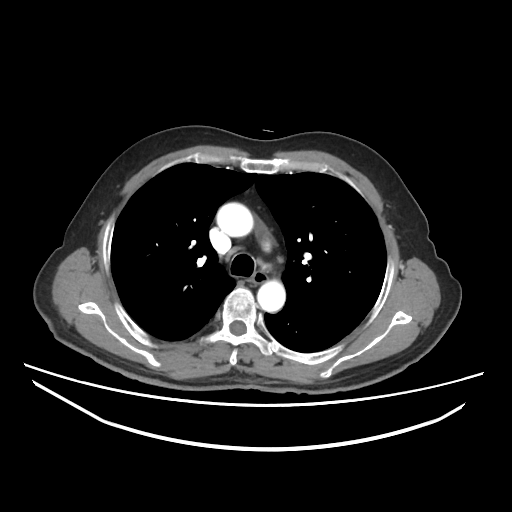
Chest-level CT slice, above the liver and spleen. axial view. soft-tissue window. 512x512 px. 58-year-old male patient
At this level of the chest no structure but the esophagus and the aorta has a label in this dataset, and those two are boxed only where they are labeled.
{"organs":{"aorta":[[216,202,253,236],[257,280,285,312]],"esophagus":[250,275,266,285]}}